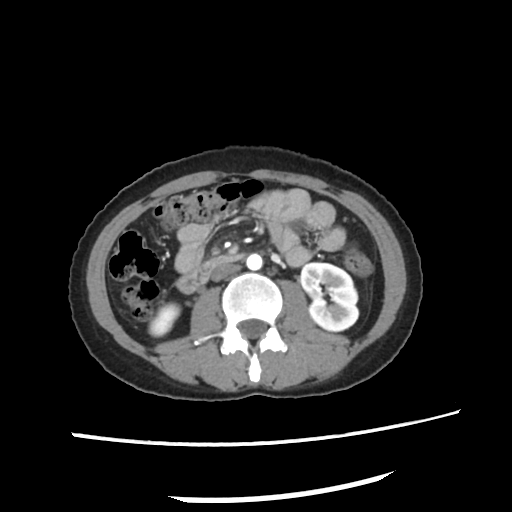 CT abdomen · Axial slice 54/124 · abdomen soft-tissue window
<organs><organ name="right kidney" x1="149" y1="303" x2="180" y2="336"/><organ name="left kidney" x1="301" y1="263" x2="357" y2="330"/><organ name="aorta" x1="247" y1="254" x2="261" y2="270"/><organ name="inferior vena cava" x1="212" y1="264" x2="241" y2="282"/><organ name="duodenum" x1="175" y1="254" x2="244" y2="291"/></organs>